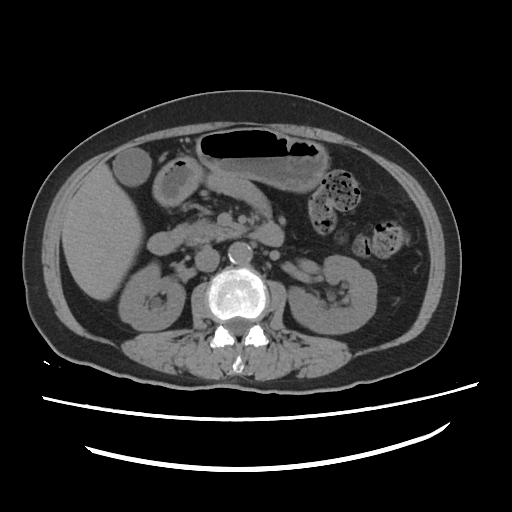 CT abdomen — axial view — soft-tissue window (W 400 / L 40) — 512x512 px — 61-year-old female patient
<organs><organ name="liver" x1="62" y1="164" x2="142" y2="300"/><organ name="right kidney" x1="119" y1="262" x2="184" y2="330"/><organ name="aorta" x1="228" y1="242" x2="252" y2="264"/><organ name="gall bladder" x1="113" y1="148" x2="151" y2="185"/><organ name="duodenum" x1="147" y1="222" x2="284" y2="254"/><organ name="pancreas" x1="170" y1="218" x2="244" y2="245"/><organ name="stomach" x1="153" y1="127" x2="328" y2="205"/><organ name="left kidney" x1="288" y1="255" x2="376" y2="334"/><organ name="inferior vena cava" x1="194" y1="246" x2="219" y2="271"/></organs>